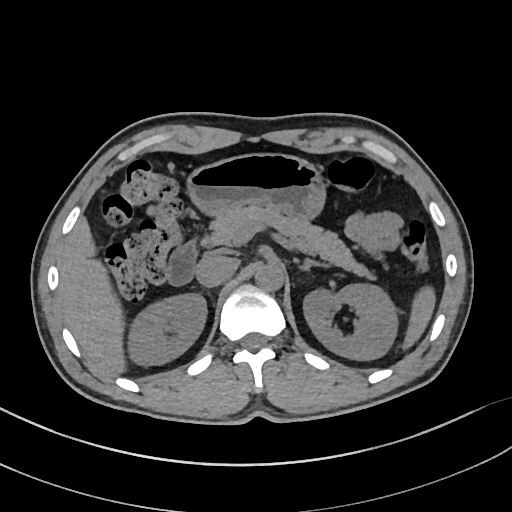

CT, abdomen/pelvis · axial plane, index 171 · 512x512 px
Boxes are (x1, y1, x2, y2) in pixels. 10 labeled organs on this slice — inferior vena cava at (195, 255, 237, 287); left adrenal gland at (299, 258, 327, 270); left kidney at (303, 283, 397, 360); pancreas at (204, 204, 373, 278); stomach at (186, 153, 325, 219); liver at (59, 217, 125, 374); spleen at (403, 286, 435, 347); right kidney at (128, 293, 206, 365); duodenum at (167, 240, 197, 285); aorta at (255, 262, 284, 291).